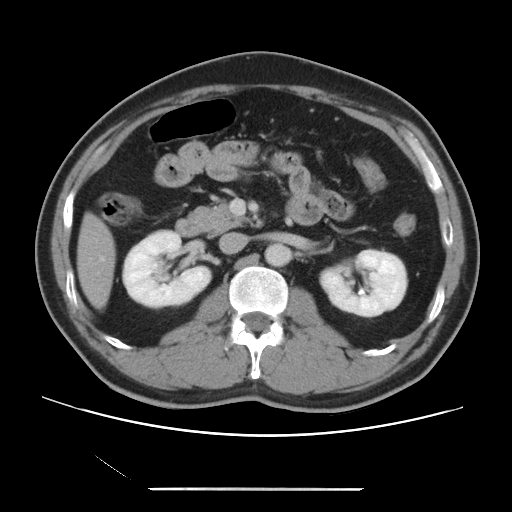 Abdominal CT · axial view · abdomen soft-tissue window · SOMATOM Force scanner · scan has 15 labeled organs (counted over the whole 3D scan, not this slice; an organ is boxed only where this slice passes through it)
{"organs":{"right kidney":[122,230,211,307],"aorta":[264,243,290,266],"liver":[76,212,115,309],"inferior vena cava":[219,232,248,254],"left kidney":[320,250,407,316],"duodenum":[175,219,203,236],"pancreas":[189,200,252,234]}}